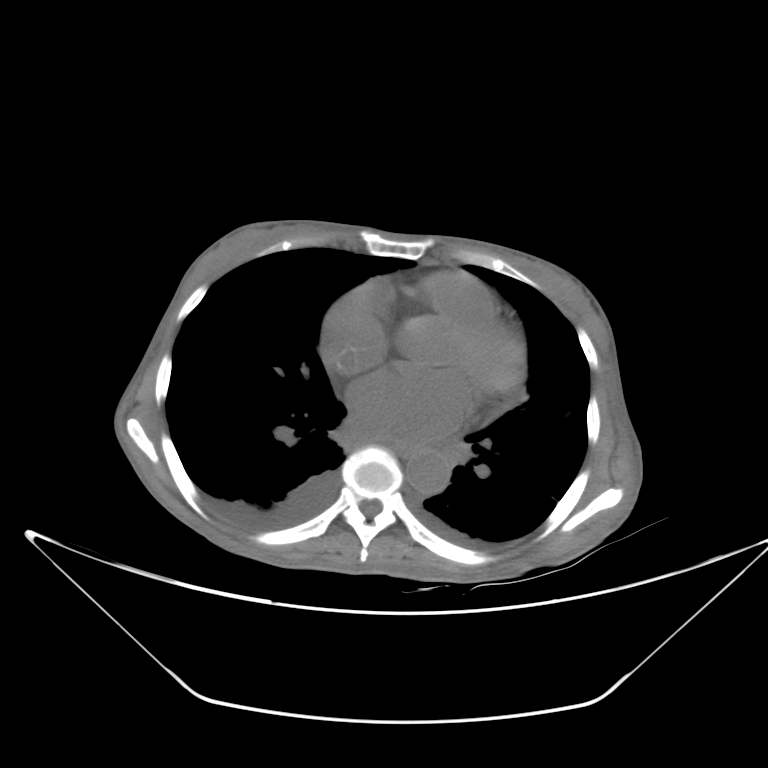 CT of the abdomen reaching into the lower chest, slice just above the liver and spleen · axial view · 56-year-old female patient
No part of the heart or lungs is labeled in this dataset, so neither has a box here.
<organs><organ name="esophagus" x1="391" y1="443" x2="422" y2="456"/><organ name="aorta" x1="406" y1="449" x2="450" y2="495"/></organs>